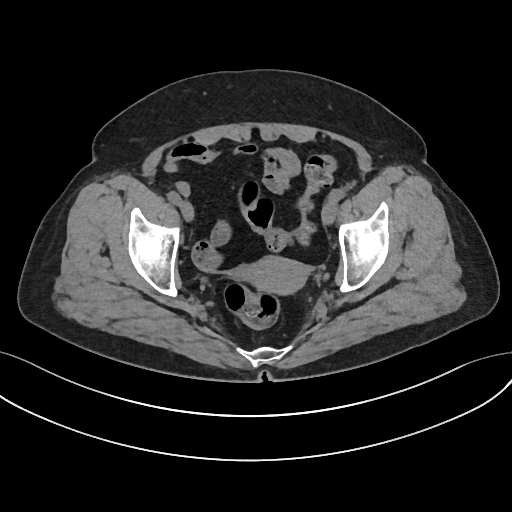
CT abdomen — Axial slice 36/207 — 512x512 px
<organs><organ name="prostate/uterus" x1="246" y1="257" x2="309" y2="296"/></organs>